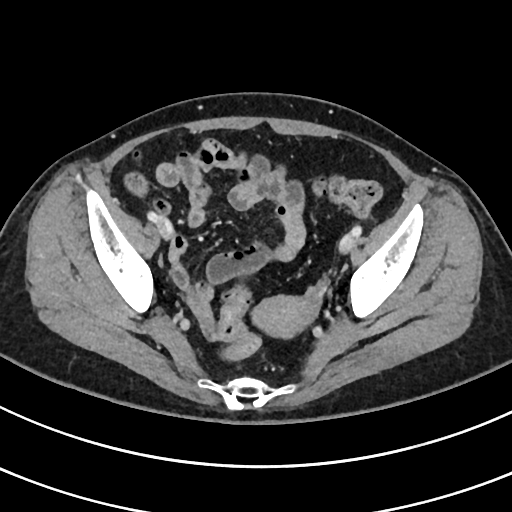

CT, abdomen/pelvis; Axial slice 41/192; 512x512 px; acquired on SOMATOM Force
Boxes are (x1, y1, x2, y2) in pixels.
Organ bounding boxes:
- prostate/uterus: (252, 296, 313, 335)